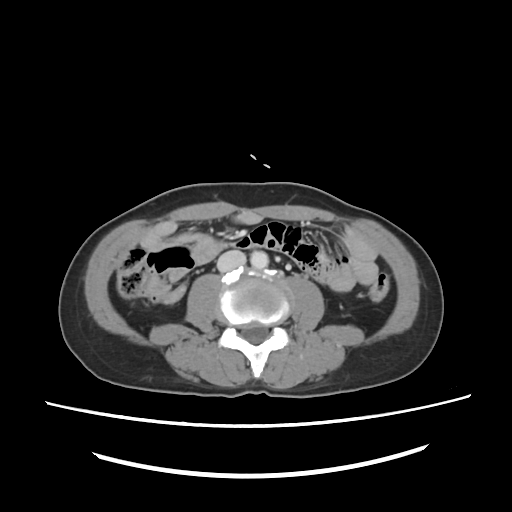

Computed tomography, abdomen · axial plane, index 48 · soft-tissue window · 45-year-old male patient · Aquilion ONE scanner
One row per box, in pixels: columns x1 and y1 give the top-left corner, x2 and y2 the bottom-right.
| organ | x1 | y1 | x2 | y2 |
|---|---|---|---|---|
| aorta | 251 | 251 | 267 | 268 |
| inferior vena cava | 217 | 249 | 246 | 271 |